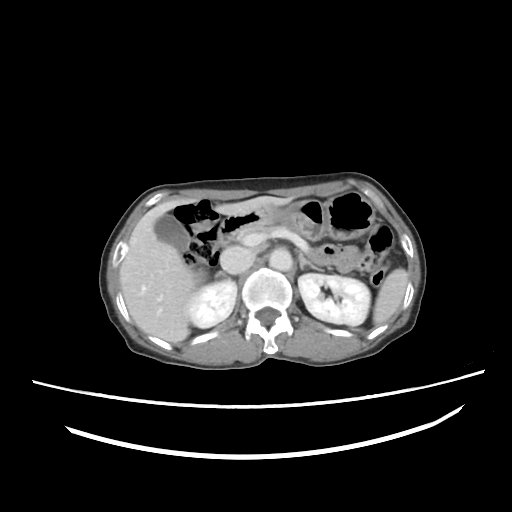 Abdominal CT · axial view
Coordinates as <box>x1,y1,x2,y2</box> in pixels. The annotated organs in this slice are: spleen at <box>374,269,407,325</box>, right kidney at <box>183,278,236,327</box>, left kidney at <box>299,273,369,325</box>, gall bladder at <box>153,215,190,251</box>, liver at <box>118,196,292,343</box>, stomach at <box>257,193,373,241</box>, aorta at <box>268,248,292,272</box>, inferior vena cava at <box>220,246,254,274</box>, pancreas at <box>240,225,282,236</box>, right adrenal gland at <box>215,271,229,278</box>, left adrenal gland at <box>299,249,323,272</box>, duodenum at <box>218,210,259,247</box>.